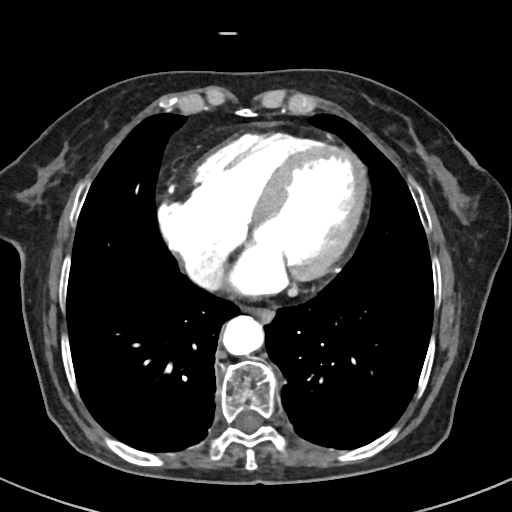 Lower-chest slice from an abdominal CT, just above the liver and spleen. axial view. soft-tissue window, W/L 400/40. 512x512 px
No part of the heart or lungs is labeled in this dataset, so neither has a box here.
Boxes: x1:y1:x2:y2 in pixels.
Organ bounding boxes:
- esophagus: 250:309:274:320
- aorta: 223:316:264:355
- inferior vena cava: 186:254:219:287